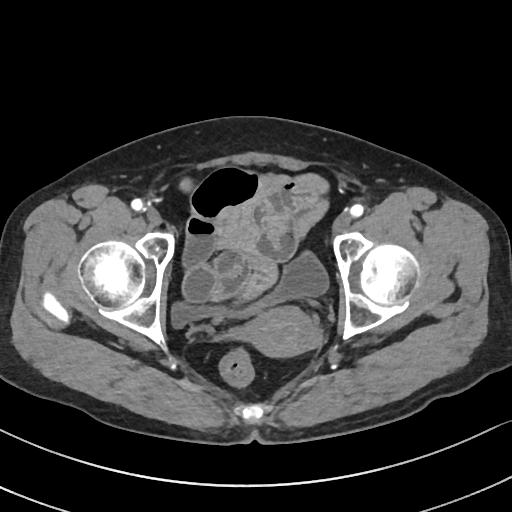

Abdominal CT; axial plane, index 34; soft-tissue window (W 400 / L 40); scan has 15 labeled organs (counted over the whole 3D scan, not this slice; an organ is boxed only where this slice passes through it)
Box edges are left/top/right/bottom in pixels.
Organ bounding boxes:
- prostate/uterus: left=245, top=306, right=319, bottom=356
- bladder: left=171, top=250, right=329, bottom=327